Abdominal CT. axial view. scan has 15 labeled organs (counted over the whole 3D scan, not this slice; an organ is boxed only where this slice passes through it)
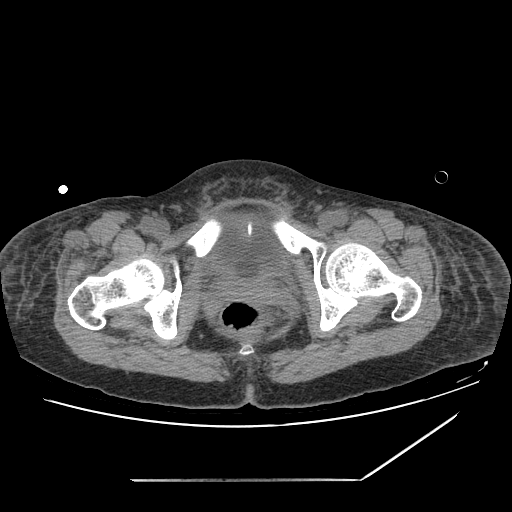

Boxes: x1:y1:x2:y2 in pixels.
Organ bounding boxes:
- bladder: 204:215:287:280